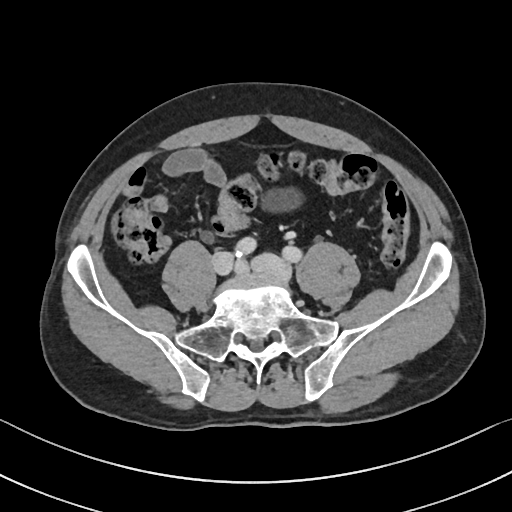 CT, abdomen/pelvis — axial view — W/L 400/40 HU
Bounding boxes in pixels, one row per box: x1, y1 is the top-left corner and x2, y2 the bottom-right.
| organ | x1 | y1 | x2 | y2 |
|---|---|---|---|---|
| bladder | 264 | 189 | 300 | 210 |